CT, abdomen/pelvis; axial plane, index 43; W/L 400/40 HU; SOMATOM Force scanner
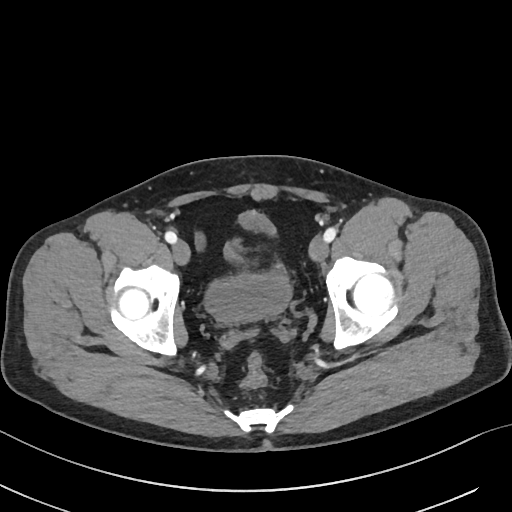

Boxes are (x1, y1, x2, y2) in pixels.
bladder: (204, 210, 290, 322)